CT of the abdomen extending into the chest, slice through the chest · axial plane, index 101 · 47-year-old male patient · scan has 15 labeled organs (that count is for the whole scan; organs this slice misses have no box)
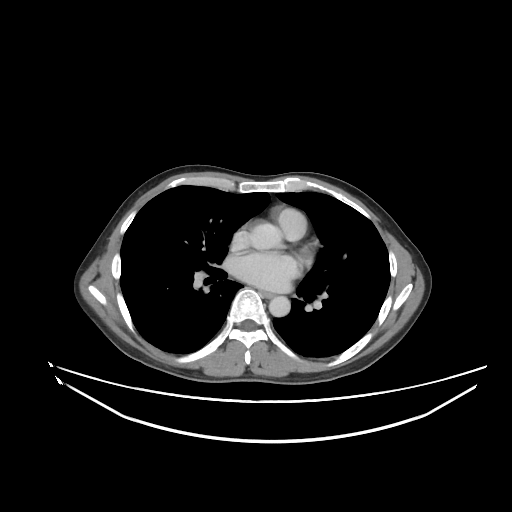

On a slice this high in the chest, this dataset labels only the esophagus and the aorta, and each is boxed only where it is labeled; the heart, lungs and other chest structures are not labeled.
Box edges are left/top/right/bottom in pixels.
Organ bounding boxes:
- esophagus: left=260, top=291, right=273, bottom=298
- aorta: left=269, top=296, right=290, bottom=316